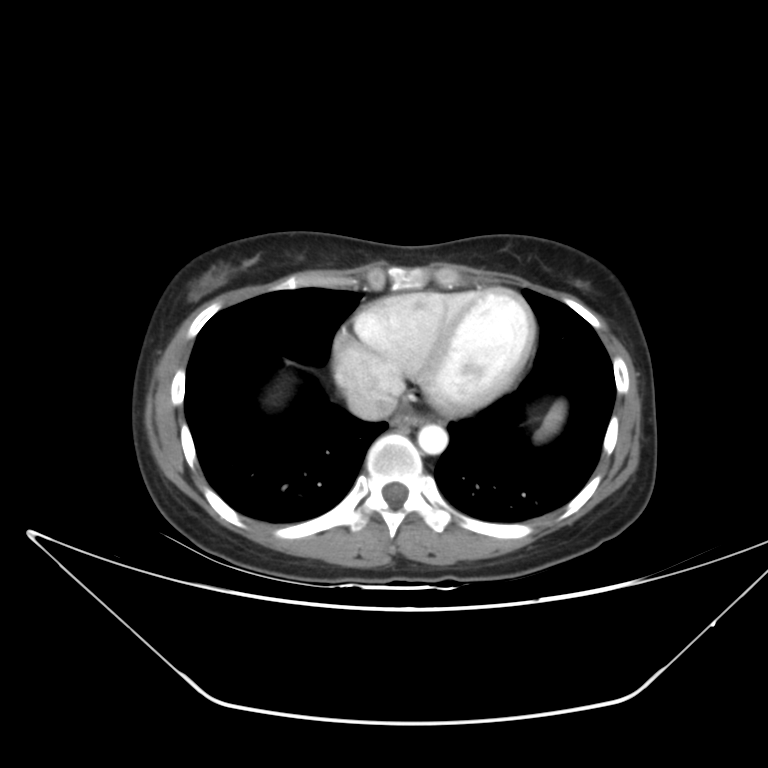 CT abdomen · axial view · 768x768 px
One row per box, in pixels: columns x1 and y1 give the top-left corner, x2 and y2 the bottom-right.
| organ | x1 | y1 | x2 | y2 |
|---|---|---|---|---|
| aorta | 418 | 424 | 448 | 454 |
| inferior vena cava | 346 | 384 | 397 | 420 |
| esophagus | 393 | 415 | 423 | 427 |
| spleen | 540 | 403 | 564 | 435 |